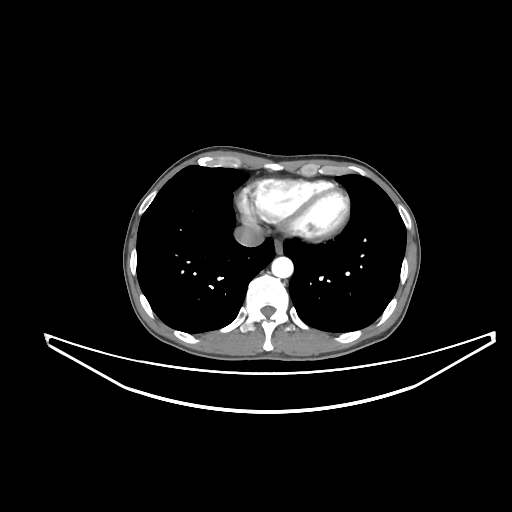

CT of the abdomen reaching into the lower chest, slice just above the liver and spleen; Axial slice 86/134; scan has 15 labeled organs (counted over the whole 3D scan, not this slice; an organ is boxed only where this slice passes through it)
Of the structures in the chest, this dataset labels only the esophagus, the aorta and the inferior vena cava; the heart and lungs have no label. Boxes: x1:y1:x2:y2 in pixels. 3 labeled organs on this slice — esophagus at 274:239:282:253; aorta at 271:256:293:278; inferior vena cava at 234:226:264:246.